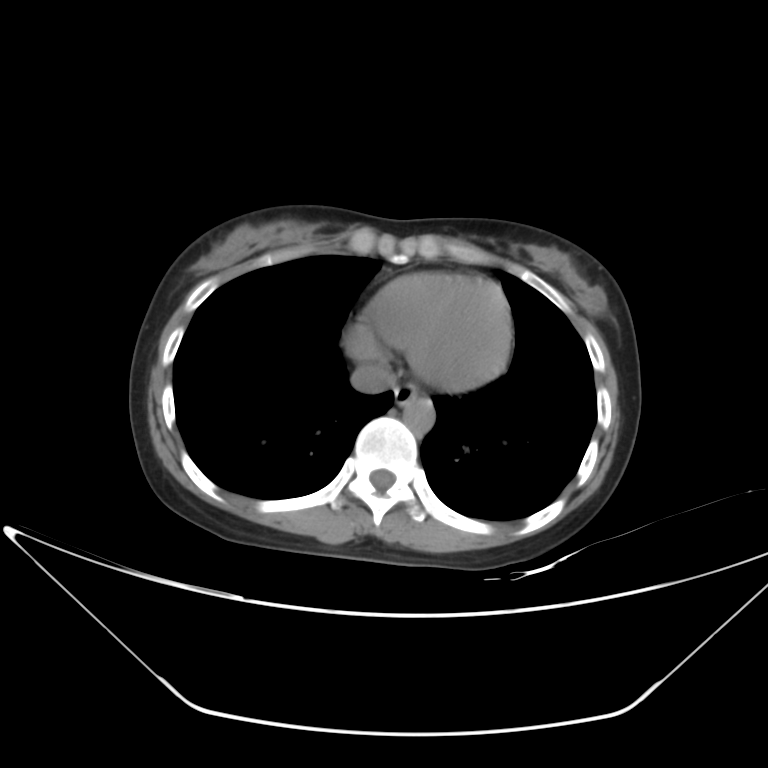

Abdominal CT; this slice is in the lower chest, just above the liver; Axial slice 81/81; 768x768 px
The heart and lungs are never labeled in this dataset, so they have no box on this slice.
Bounding boxes as [x1, y1, x2, y2] in pixel coordinates.
Organ bounding boxes:
- esophagus: [394, 383, 419, 405]
- aorta: [403, 397, 434, 433]
- inferior vena cava: [350, 363, 394, 393]